Abdominal CT. axial plane, index 135. abdomen soft-tissue window. 512x512 px
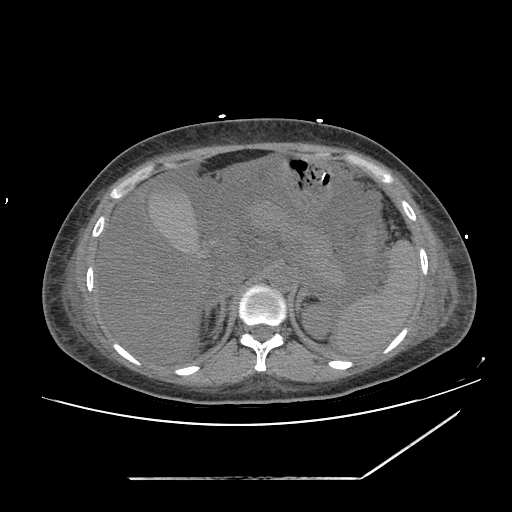
<organs><organ name="spleen" x1="185" y1="194" x2="419" y2="355"/><organ name="left kidney" x1="305" y1="308" x2="329" y2="335"/><organ name="gall bladder" x1="146" y1="183" x2="209" y2="258"/><organ name="liver" x1="95" y1="152" x2="281" y2="365"/><organ name="stomach" x1="279" y1="152" x2="331" y2="213"/><organ name="aorta" x1="269" y1="269" x2="294" y2="292"/><organ name="inferior vena cava" x1="213" y1="263" x2="246" y2="297"/><organ name="pancreas" x1="241" y1="198" x2="349" y2="285"/><organ name="right adrenal gland" x1="205" y1="298" x2="225" y2="338"/><organ name="left adrenal gland" x1="296" y1="277" x2="323" y2="315"/></organs>